CT, abdomen/pelvis; axial view; abdomen soft-tissue window; 768x768 px
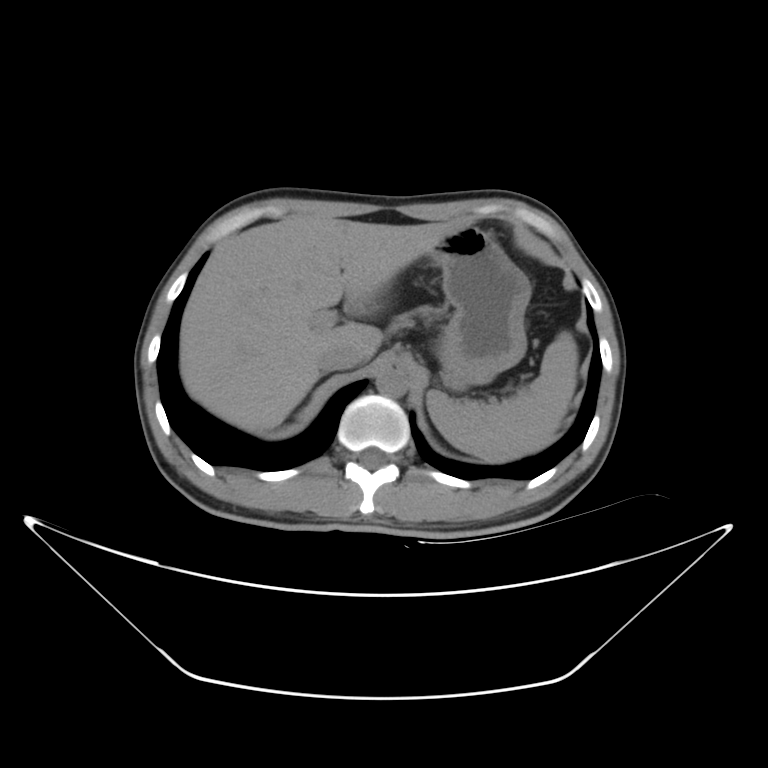 {"organs":{"spleen":[427,330,579,462],"liver":[178,211,470,431],"aorta":[376,366,406,396],"inferior vena cava":[320,346,368,370],"stomach":[427,226,531,388]}}